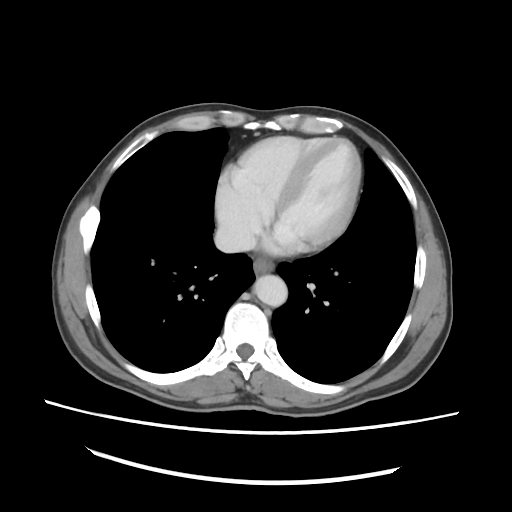
Abdominal CT; this slice is in the lower chest, just above the liver. axial view. 512x512 px. 61-year-old male patient. 15 organs annotated in this scan (that count is for the whole scan; organs this slice misses have no box)
No part of the heart or lungs is labeled in this dataset, so neither has a box here.
Bounding boxes in pixels, one row per box: x1, y1 is the top-left corner and x2, y2 the bottom-right.
| organ | x1 | y1 | x2 | y2 |
|---|---|---|---|---|
| esophagus | 253 | 258 | 273 | 274 |
| aorta | 253 | 274 | 287 | 306 |
| inferior vena cava | 214 | 224 | 256 | 252 |